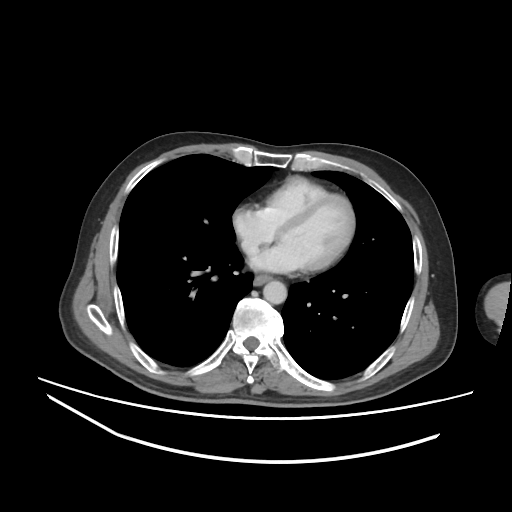 CT of the abdomen reaching into the lower chest, slice just above the liver and spleen · Axial slice 91/128 · W/L 400/40 HU · 512x512 px
Of the structures in the chest, this dataset labels only the esophagus, the aorta and the inferior vena cava; the heart and lungs have no label.
One row per box, in pixels: columns x1 and y1 give the top-left corner, x2 and y2 the bottom-right.
| organ | x1 | y1 | x2 | y2 |
|---|---|---|---|---|
| aorta | 263 | 281 | 287 | 304 |
| esophagus | 253 | 275 | 271 | 285 |